CT abdomen; axial view; 768x768 px
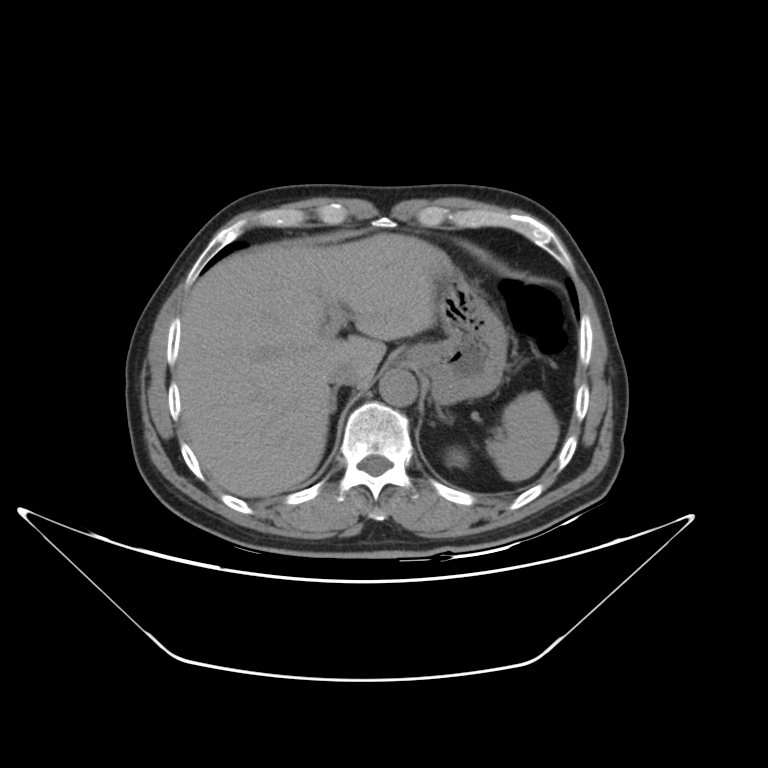
Boxes: x1:y1:x2:y2 in pixels.
spleen: 484:391:558:483
left kidney: 445:450:467:470
liver: 175:233:455:497
stomach: 405:272:507:406
aorta: 379:371:417:407
inferior vena cava: 326:362:357:385
right adrenal gland: 331:389:337:412
left adrenal gland: 434:408:455:425